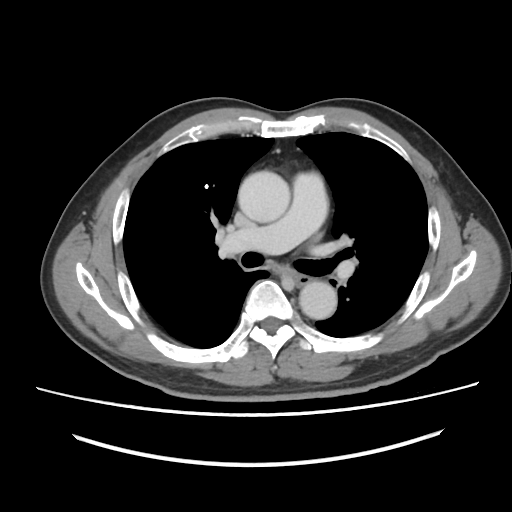
Chest-level slice from an abdominal CT that extends up into the chest; axial view; 512x512 px
At this level of the chest this dataset labels only the esophagus and the aorta, and each is boxed only where it is labeled; the heart and lungs are never labeled. Box edges are left/top/right/bottom in pixels. 2 labeled organs on this slice — esophagus at left=294, top=274, right=310, bottom=285; aorta at left=238, top=171, right=290, bottom=222; aorta at left=299, top=281, right=336, bottom=319.